CT, abdomen/pelvis. axial view
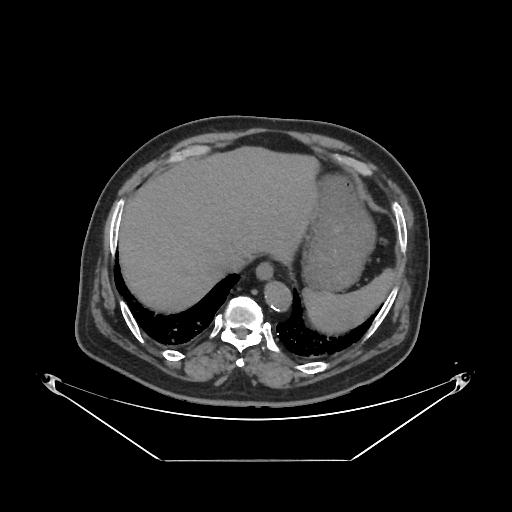

{"organs":{"stomach":[304,177,374,291],"liver":[119,147,318,310],"spleen":[304,269,393,331],"aorta":[264,281,291,311],"esophagus":[255,263,273,280],"inferior vena cava":[221,253,249,272]}}